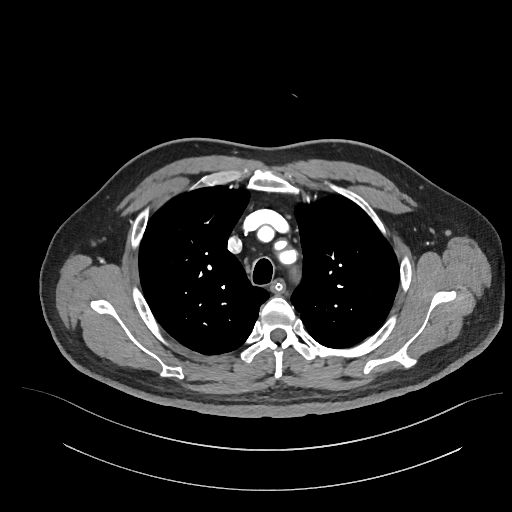
Chest-level slice from an abdominal CT that extends up into the chest; axial view; 512x512 px
On a slice this high in the chest, this dataset labels only the esophagus and the aorta, and each is boxed only where it is labeled; the heart, lungs and other chest structures are not labeled.
Organ boxes in pixel coordinates; each row gives the top-left (x1, y1) and bottom-right (x2, y2) corners.
| organ | x1 | y1 | x2 | y2 |
|---|---|---|---|---|
| esophagus | 272 | 282 | 283 | 290 |
| aorta | 281 | 252 | 286 | 257 |